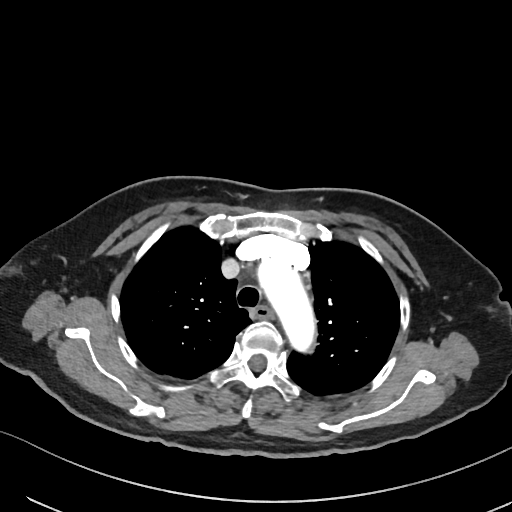

Chest-level slice from an abdominal CT that extends up into the chest. axial view
At this level of the chest no structure but the esophagus and the aorta has a label in this dataset, and those two are boxed only where they are labeled.
{"organs":{"esophagus":[250,305,272,317],"aorta":[257,257,316,351]}}